Abdominal CT. axial view. soft-tissue window (W 400 / L 40). 512x512 px. SOMATOM Force scanner
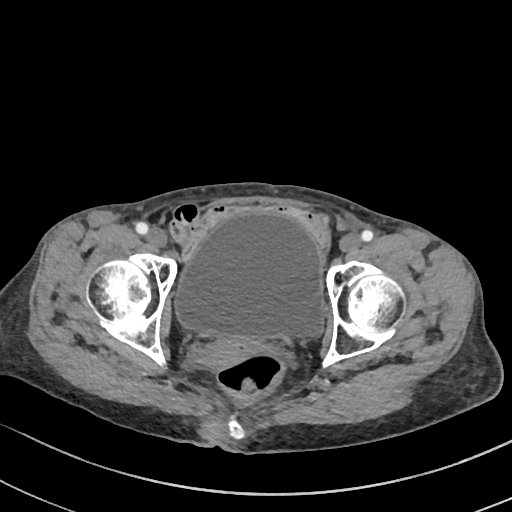 Boxes are (x1, y1, x2, y2) in pixels. The annotated organs in this slice are: bladder at (175, 209, 323, 337), prostate/uterus at (198, 335, 256, 368).